Computed tomography, abdomen. axial view
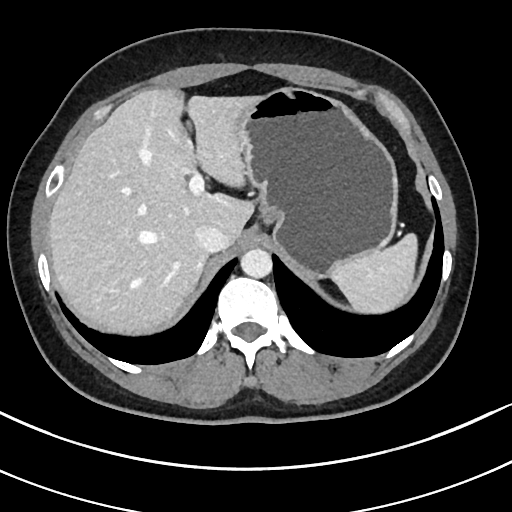 Organ boxes in pixel coordinates; each row gives the top-left (x1, y1) and bottom-right (x2, y2) corners.
| organ | x1 | y1 | x2 | y2 |
|---|---|---|---|---|
| liver | 48 | 88 | 259 | 334 |
| spleen | 330 | 233 | 417 | 313 |
| aorta | 240 | 249 | 272 | 278 |
| stomach | 239 | 87 | 398 | 277 |
| inferior vena cava | 194 | 225 | 227 | 253 |